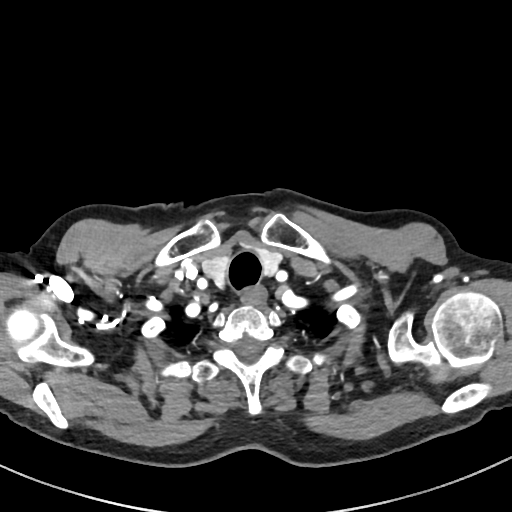

Chest-level slice from an abdominal CT that extends up into the chest. axial plane, index 297. soft-tissue window, W/L 400/40
On a slice this high in the chest, this dataset labels only the esophagus and the aorta, and each is boxed only where it is labeled; the heart, lungs and other chest structures are not labeled.
<organs><organ name="esophagus" x1="241" y1="288" x2="265" y2="303"/></organs>